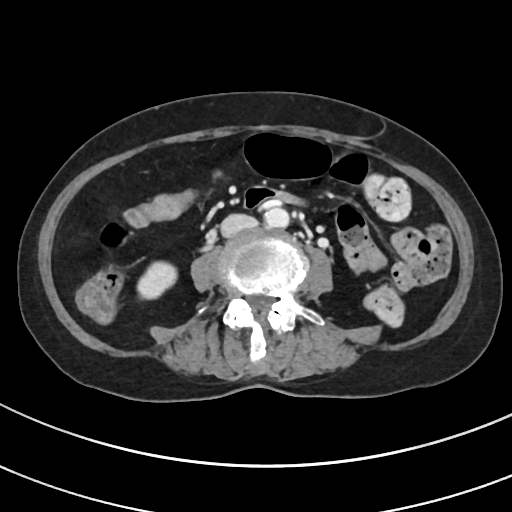

Abdominal CT — axial view — SOMATOM Force scanner
{"organs":{"aorta":[263,206,289,228],"right kidney":[136,262,176,298],"inferior vena cava":[220,214,256,237]}}